Computed tomography, abdomen · Axial slice 21/123 · abdomen soft-tissue window · 15 organs annotated in this scan (a whole-scan count: organs this slice does not pass through have no box)
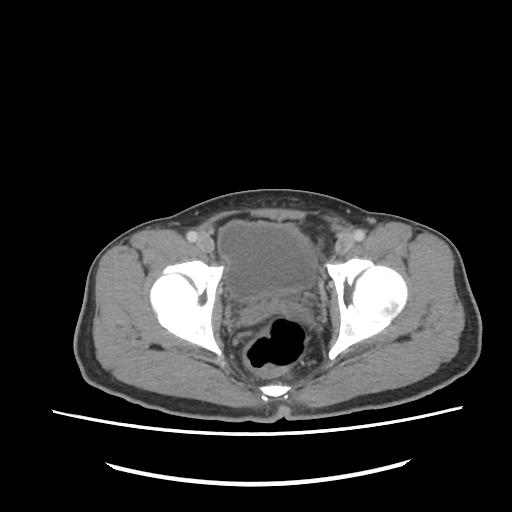

Box edges are left/top/right/bottom in pixels. Labeled organs on this slice: bladder at left=218, top=221, right=315, bottom=299.